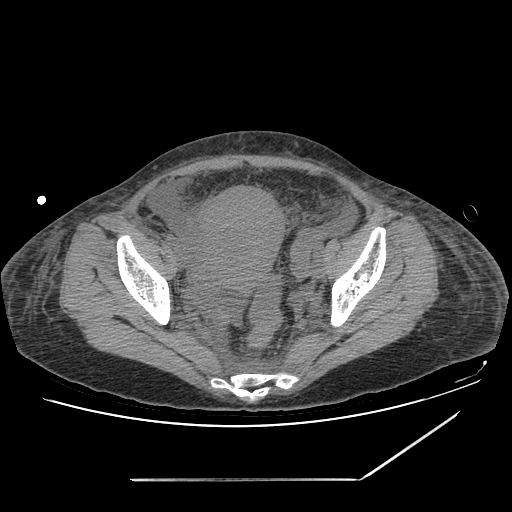
CT abdomen · axial plane, index 36 · 512x512 px
{"organs":{"prostate/uterus":[203,188,282,285],"duodenum":[223,275,229,277]}}